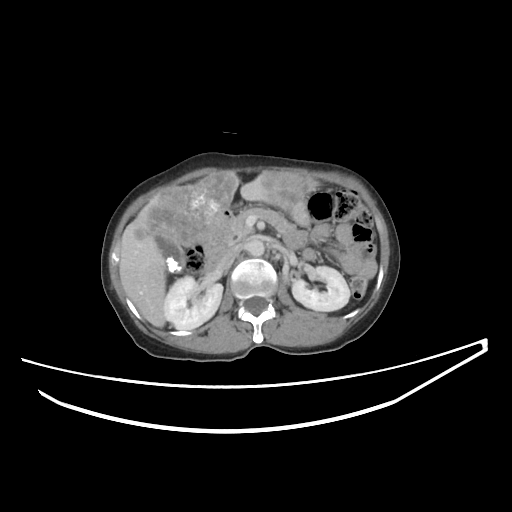
Abdominal CT. axial view. W/L 400/40 HU. 512x512 px. 62-year-old female patient
Boxes: x1:y1:x2:y2 in pixels.
liver: 119:170:317:327
stomach: 290:200:309:227
aorta: 246:239:264:256
right kidney: 164:276:222:329
inferior vena cava: 216:246:239:271
pancreas: 224:207:293:244
duodenum: 202:210:232:273
left kidney: 292:266:349:311
gall bladder: 157:237:185:274